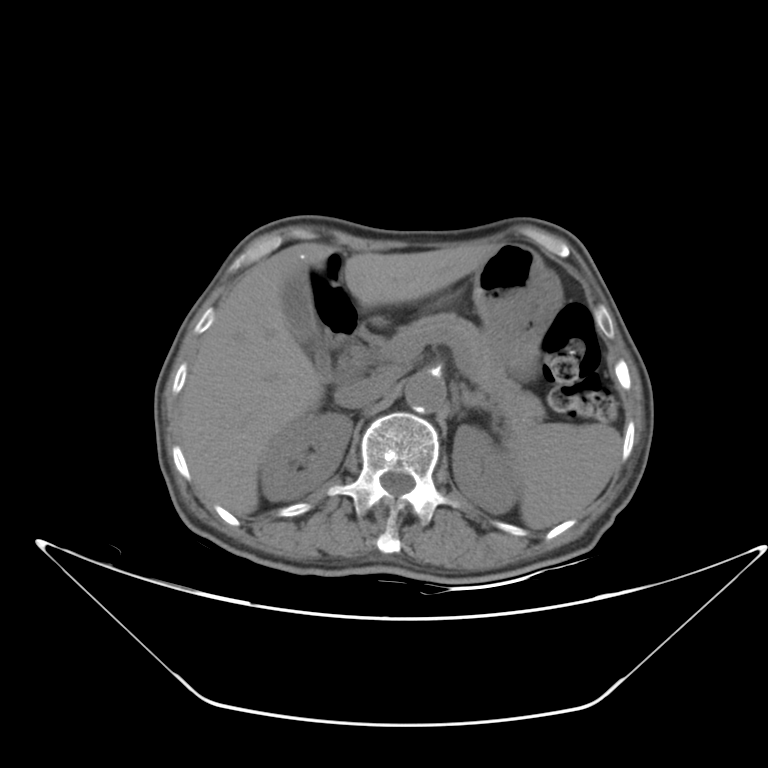 Abdominal CT; axial plane, index 68; Brilliance16 scanner; scan has 15 labeled organs (that count is for the whole scan; organs this slice misses have no box)
Each box given as x1,y1,x2,y2.
Organ bounding boxes:
- spleen: x1=506, y1=420, x2=622, y2=528
- right kidney: x1=261, y1=414, x2=350, y2=500
- left kidney: x1=454, y1=424, x2=517, y2=515
- gall bladder: x1=282, y1=268, x2=332, y2=379
- liver: x1=178, y1=243, x2=498, y2=515
- stomach: x1=470, y1=243, x2=562, y2=381
- aorta: x1=404, y1=372, x2=448, y2=412
- inferior vena cava: x1=338, y1=367, x2=402, y2=407
- pancreas: x1=372, y1=313, x2=542, y2=419
- left adrenal gland: x1=463, y1=388, x2=491, y2=413
- duodenum: x1=335, y1=317, x2=390, y2=380